Computed tomography, abdomen; axial view; 512x512 px; scan has 15 labeled organs (counted over the whole 3D scan, not this slice; an organ is boxed only where this slice passes through it)
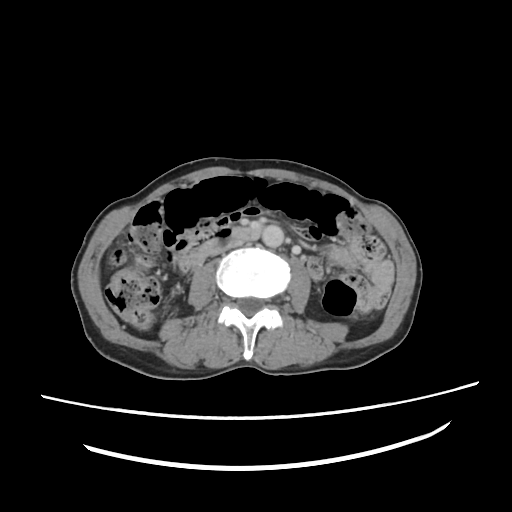

Each box given as x1,y1,x2,y2.
Organ bounding boxes:
- inferior vena cava: x1=211, y1=241, x2=243, y2=257
- duodenum: x1=181, y1=228, x2=259, y2=272
- aorta: x1=260, y1=223, x2=284, y2=247